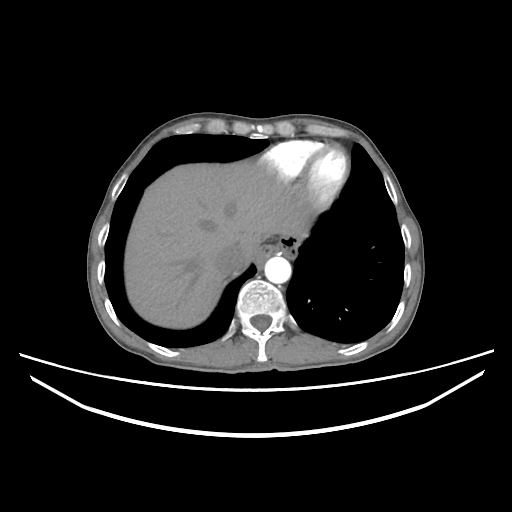

Computed tomography, abdomen · axial plane, index 72 · soft-tissue window (W 400 / L 40) · 512x512 px
Each box given as x1,y1,x2,y2.
liver: x1=124, y1=160, x2=315, y2=328
aorta: x1=264, y1=256, x2=291, y2=283
inferior vena cava: x1=215, y1=245, x2=246, y2=273